Computed tomography, abdomen; axial view; abdomen soft-tissue window; 512x512 px
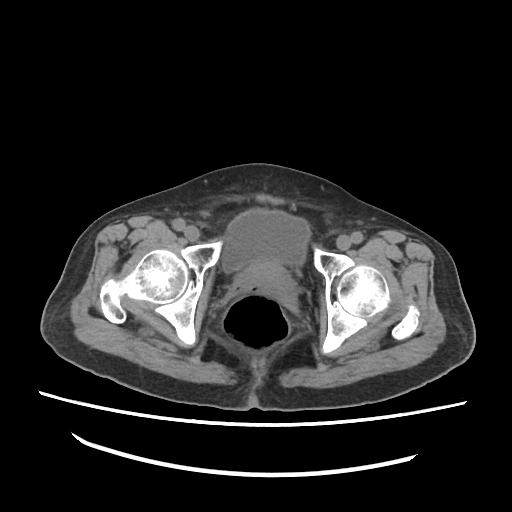 Box edges are left/top/right/bottom in pixels. The annotated organs in this slice are: bladder at left=222, top=211, right=308, bottom=272, prostate/uterus at left=242, top=262, right=288, bottom=288.